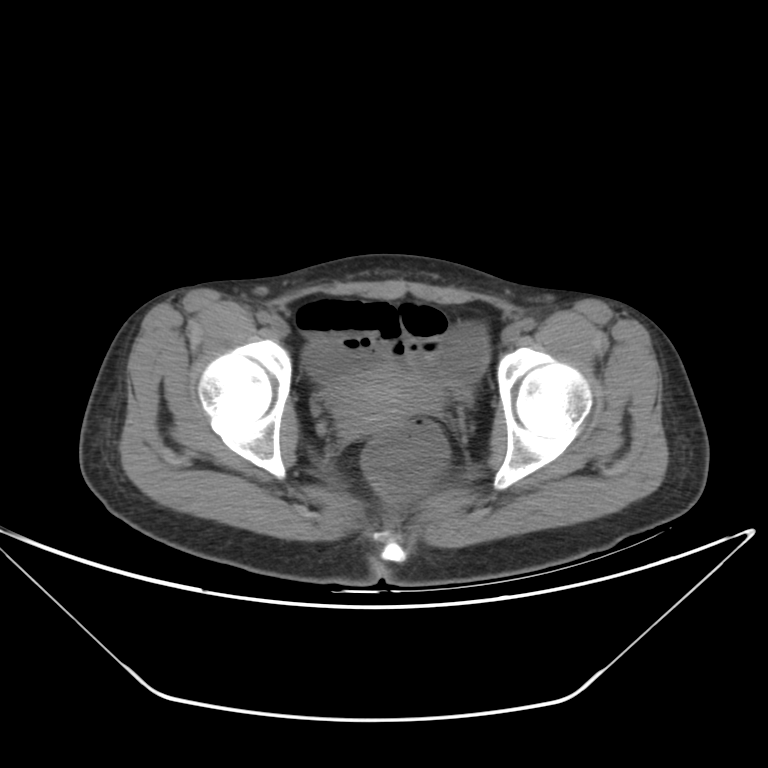

Abdominal CT. axial plane, index 18. 768x768 px. acquired on Brilliance16. 15 organs annotated in this scan (counted over the whole 3D scan, not this slice; an organ is boxed only where this slice passes through it)
Box edges are left/top/right/bottom in pixels.
Organ bounding boxes:
- prostate/uterus: left=329, top=363, right=441, bottom=436